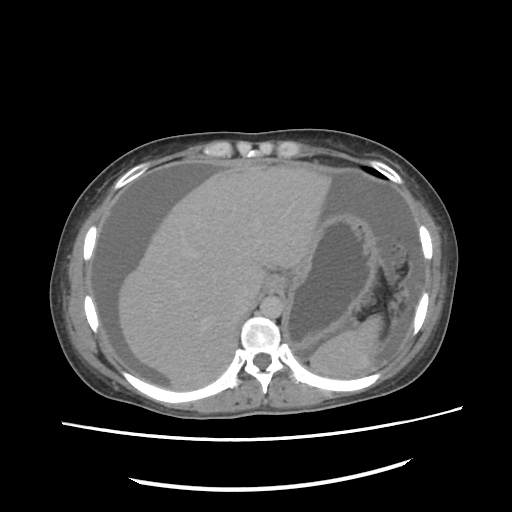

Computed tomography, abdomen; axial view; 39-year-old female patient
Bounding boxes in pixels, one row per box: x1, y1 is the top-left corner and x2, y2 the bottom-right.
| organ | x1 | y1 | x2 | y2 |
|---|---|---|---|---|
| stomach | 284 | 211 | 378 | 344 |
| esophagus | 267 | 275 | 283 | 293 |
| liver | 117 | 165 | 330 | 390 |
| spleen | 308 | 313 | 382 | 373 |
| inferior vena cava | 233 | 293 | 257 | 322 |
| aorta | 260 | 296 | 282 | 318 |